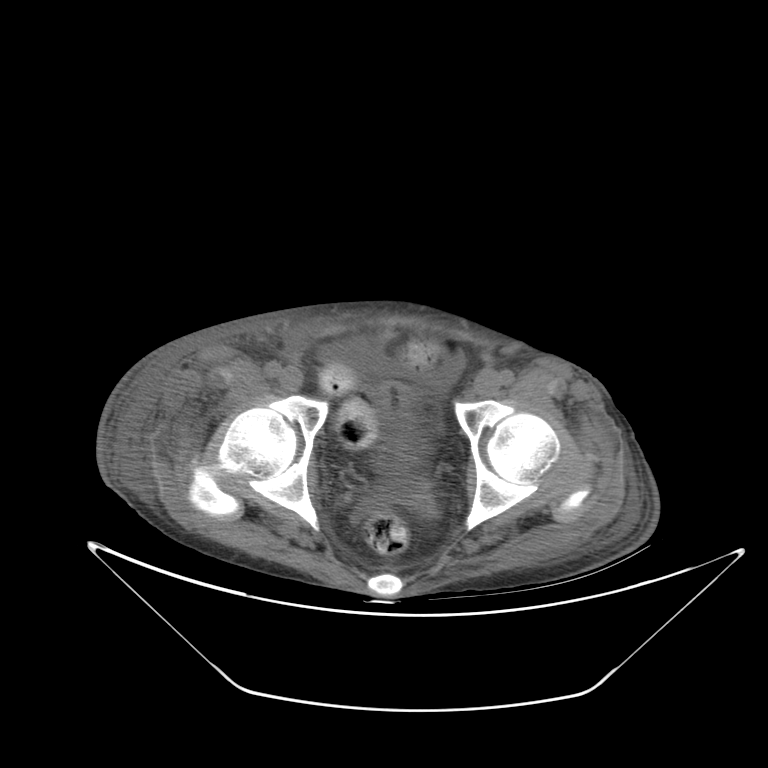 CT, abdomen/pelvis — axial view — scan has 15 labeled organs (a whole-scan count: organs this slice does not pass through have no box)
Box edges are left/top/right/bottom in pixels.
bladder: left=375, top=382, right=414, bottom=451